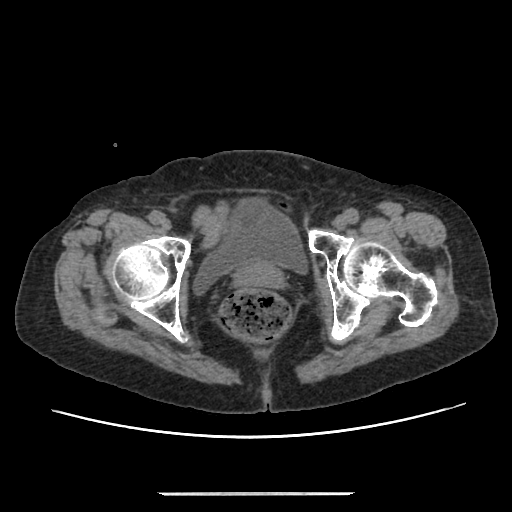

Computed tomography, abdomen; axial view; soft-tissue window
Each box given as x1,y1,x2,y2.
Organ bounding boxes:
- bladder: x1=194, y1=199, x2=305, y2=294
- prostate/uterus: x1=235, y1=261, x2=283, y2=288